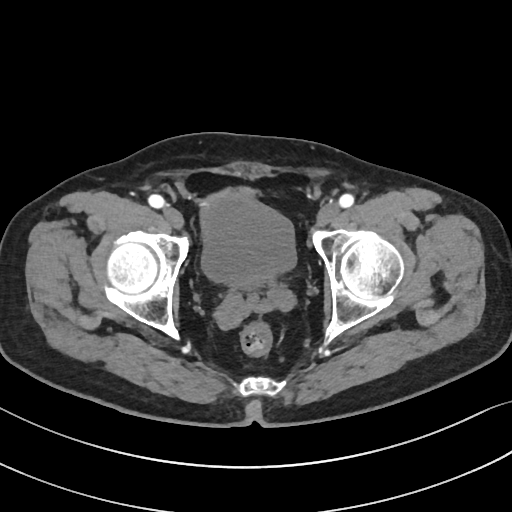

CT abdomen; axial plane, index 38; abdomen soft-tissue window; 512x512 px; scan has 15 labeled organs (a whole-scan count: organs this slice does not pass through have no box)
Box edges are left/top/right/bottom in pixels.
bladder: left=202, top=190, right=296, bottom=284
prostate/uterus: left=230, top=275, right=266, bottom=291